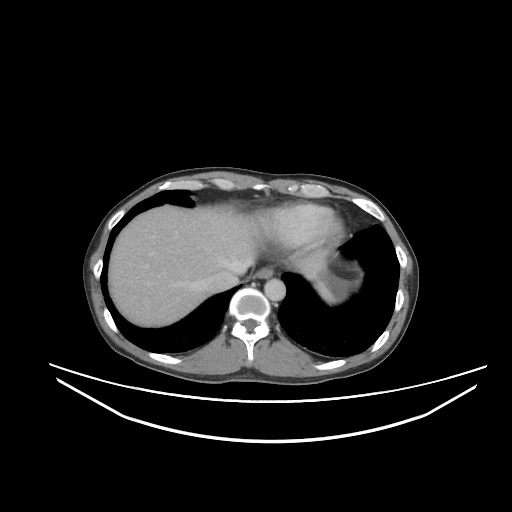

CT, abdomen/pelvis; axial plane, index 84; 47-year-old male patient; scan has 15 labeled organs (counted over the whole 3D scan, not this slice; an organ is boxed only where this slice passes through it)
Bounding boxes in pixels, one row per box: x1, y1 is the top-left corner and x2, y2 the bottom-right.
| organ | x1 | y1 | x2 | y2 |
|---|---|---|---|---|
| spleen | 315 | 281 | 344 | 302 |
| esophagus | 254 | 267 | 273 | 278 |
| liver | 108 | 205 | 325 | 327 |
| aorta | 264 | 278 | 285 | 301 |
| inferior vena cava | 204 | 265 | 247 | 292 |